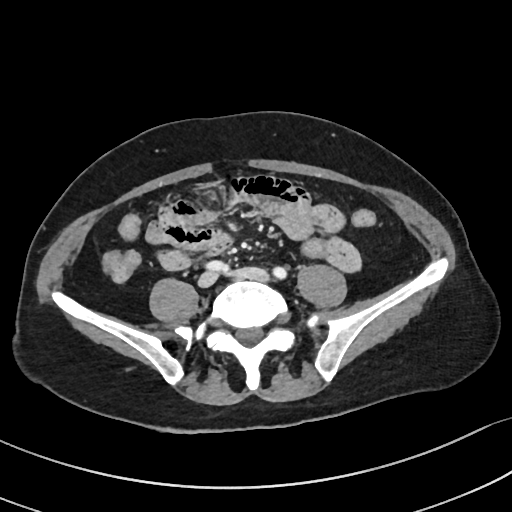

Abdominal CT; Axial slice 83/175; soft-tissue window (W 400 / L 40)
Bounding boxes as [x1, y1, x2, y2] in pixel coordinates. 1 labeled organ on this slice — stomach at [195, 187, 218, 200].